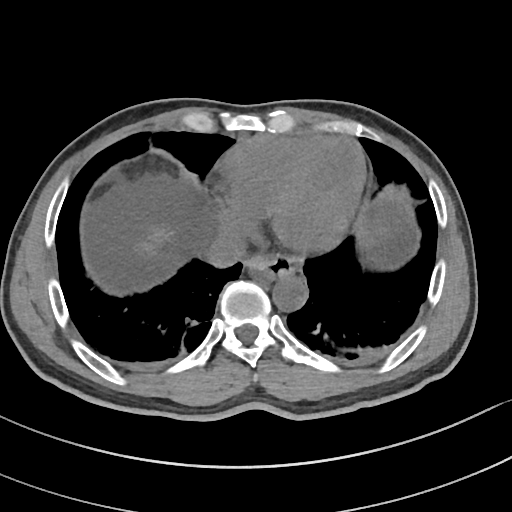

CT, abdomen/pelvis — axial view — W/L 400/40 HU
Boxes: x1:y1:x2:y2 in pixels. The annotated organs in this slice are: esophagus at 244:254:297:279, liver at 138:225:171:256, aorta at 273:275:307:311, inferior vena cava at 205:231:246:267.